Abdominal CT reaching into the chest; this slice is in the chest. axial view
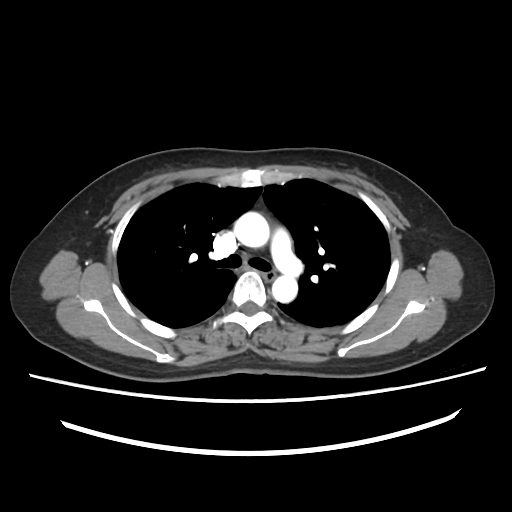 At this level of the chest this dataset labels only the esophagus and the aorta, and each is boxed only where it is labeled; the heart and lungs are never labeled.
{"organs":{"esophagus":[263,272,277,280],"aorta":[[234,211,269,247],[272,275,297,302]]}}